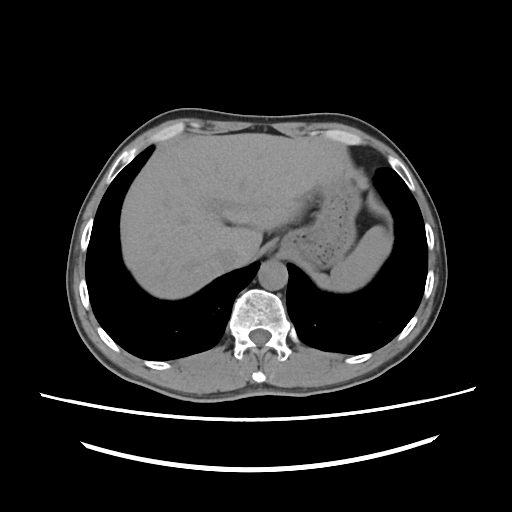

Computed tomography, abdomen — axial view — soft-tissue window (W 400 / L 40) — 15 organs annotated in this scan (a whole-scan count: organs this slice does not pass through have no box)
Organ boxes in pixel coordinates; each row gives the top-left (x1, y1) and bottom-right (x2, y2) corners.
| organ | x1 | y1 | x2 | y2 |
|---|---|---|---|---|
| spleen | 312 | 227 | 392 | 293 |
| liver | 120 | 133 | 345 | 299 |
| stomach | 282 | 178 | 361 | 267 |
| aorta | 257 | 261 | 286 | 289 |
| inferior vena cava | 211 | 246 | 238 | 272 |